Computed tomography, abdomen — axial view — soft-tissue window (W 400 / L 40) — SOMATOM Force scanner
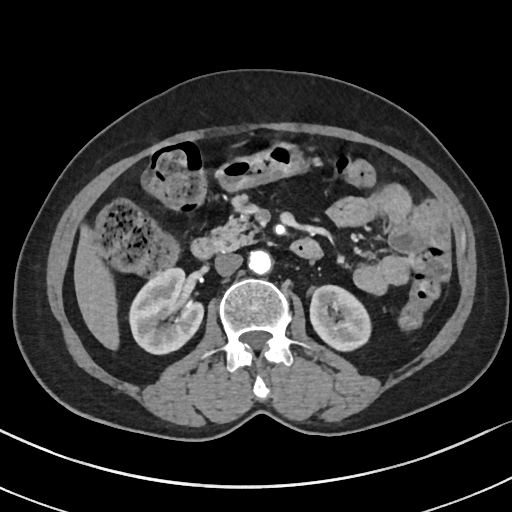
One row per box, in pixels: columns x1 and y1 give the top-left corner, x2 and y2 the bottom-right.
| organ | x1 | y1 | x2 | y2 |
|---|---|---|---|---|
| right kidney | 129 | 266 | 202 | 353 |
| left kidney | 310 | 285 | 370 | 351 |
| liver | 73 | 226 | 117 | 348 |
| stomach | 214 | 143 | 305 | 190 |
| aorta | 247 | 249 | 271 | 273 |
| inferior vena cava | 215 | 253 | 242 | 276 |
| pancreas | 211 | 195 | 254 | 249 |
| duodenum | 190 | 236 | 322 | 259 |